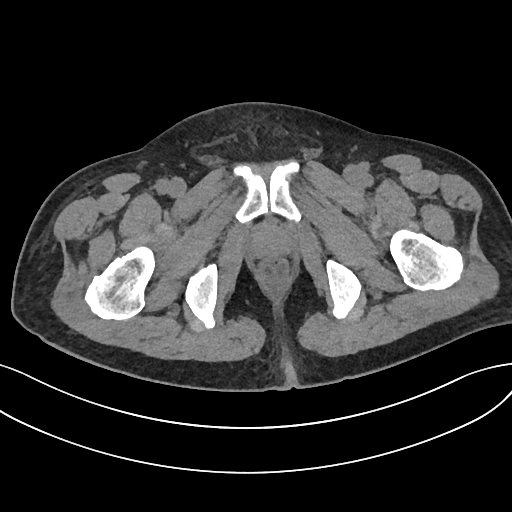
CT abdomen. axial view. W/L 400/40 HU. 512x512 px
Boxes: x1 y1 x2 y2 (pixel coords, space-separated). The annotated organs in this slice are: prostate/uterus at 255 228 287 254.